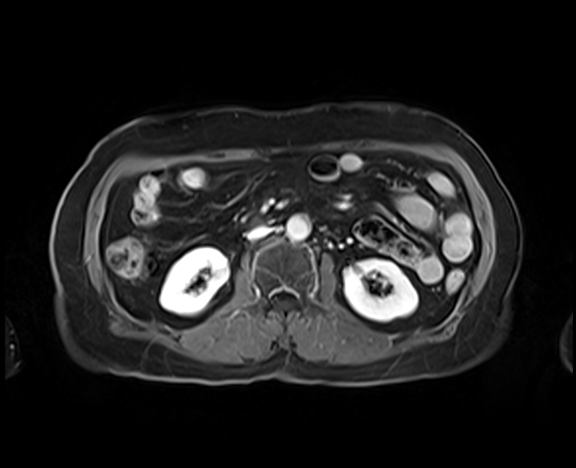

Magnetic resonance imaging, abdomen; axial view; percentile-normalized; acquired on Prisma; scan has 13 labeled organs (that count is for the whole scan; organs this slice misses have no box)
{"organs":{"right kidney":[160,247,228,315],"left kidney":[344,259,418,321],"aorta":[286,216,310,240],"inferior vena cava":[247,226,271,240]}}